CT, abdomen/pelvis; axial view; soft-tissue window; 15 organs annotated in this scan (counted over the whole 3D scan, not this slice; an organ is boxed only where this slice passes through it)
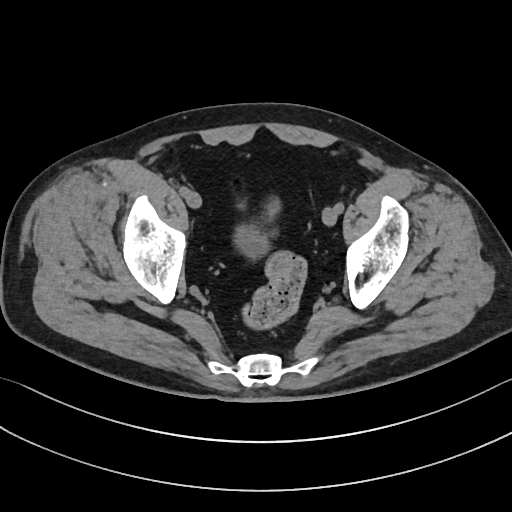
<organs><organ name="bladder" x1="237" y1="228" x2="265" y2="256"/></organs>